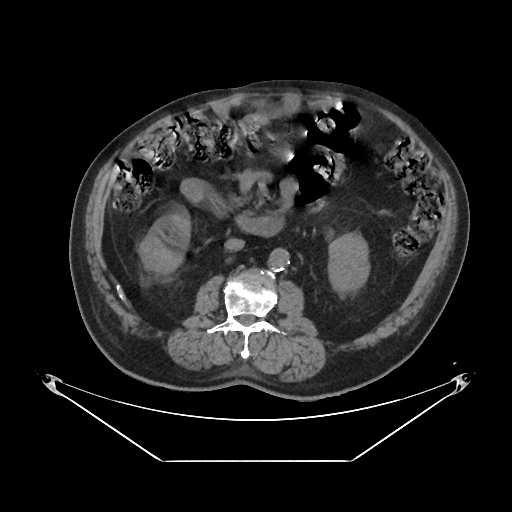

CT, abdomen/pelvis. Axial slice 203/353
Bounding boxes as [x1, y1, x2, y2] in pixel coordinates. 5 labeled organs on this slice — left kidney at [328, 233, 369, 295]; aorta at [268, 248, 289, 271]; right kidney at [138, 212, 190, 273]; inferior vena cava at [224, 238, 244, 250]; duodenum at [182, 179, 283, 236].